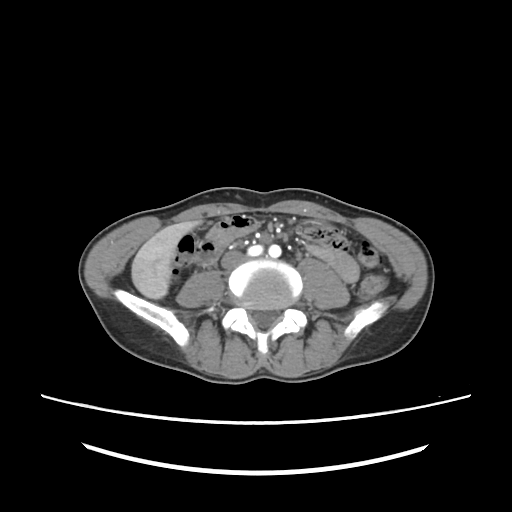 CT, abdomen/pelvis; axial plane, index 40; W/L 400/40 HU
Bounding boxes in pixels, one row per box: x1, y1 is the top-left corner and x2, y2 the bottom-right.
| organ | x1 | y1 | x2 | y2 |
|---|---|---|---|---|
| liver | 131 | 222 | 196 | 298 |
| inferior vena cava | 222 | 252 | 244 | 268 |